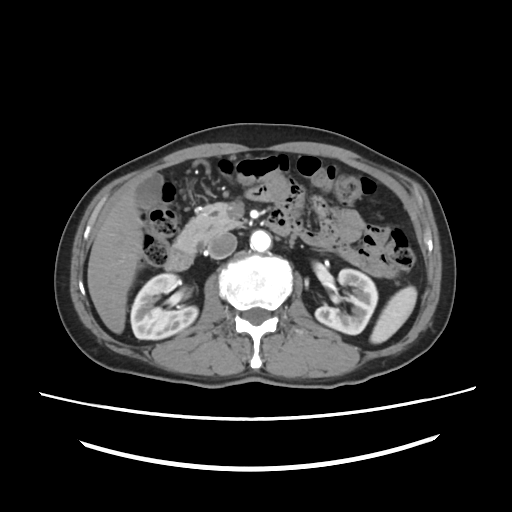
Abdominal CT. axial plane, index 61. 512x512 px. scan has 15 labeled organs (counted over the whole 3D scan, not this slice; an organ is boxed only where this slice passes through it)
Boxes: x1:y1:x2:y2 in pixels. Labeled organs on this slice: spleen at 370:286:417:343, right kidney at 130:273:197:339, left kidney at 315:269:377:334, gall bladder at 135:173:162:208, liver at 87:181:142:333, aorta at 250:230:271:251, inferior vena cava at 206:231:237:259, pancreas at 174:202:244:250, duodenum at 164:209:293:270.